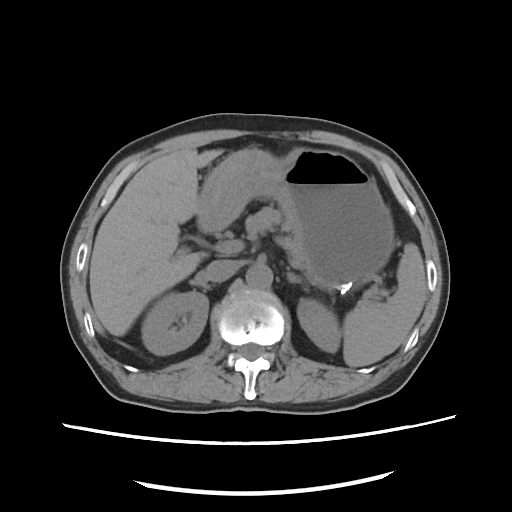

CT abdomen · Axial slice 61/78 · soft-tissue window · 512x512 px · 68-year-old male patient · 15 organs annotated in this scan (a whole-scan count: organs this slice does not pass through have no box)
Coordinates as <box>x1,y1,x2,y2</box> in pixels.
Organ bounding boxes:
- pancreas: <box>246,207,292,248</box>
- spleen: <box>343,243,426,366</box>
- left adrenal gland: <box>287,269,307,290</box>
- right kidney: <box>141,291,208,354</box>
- stomach: <box>197,148,394,288</box>
- left kidney: <box>297,299,340,352</box>
- inferior vena cava: <box>204,259,239,281</box>
- aorta: <box>245,263,272,289</box>
- liver: <box>89,147,223,336</box>